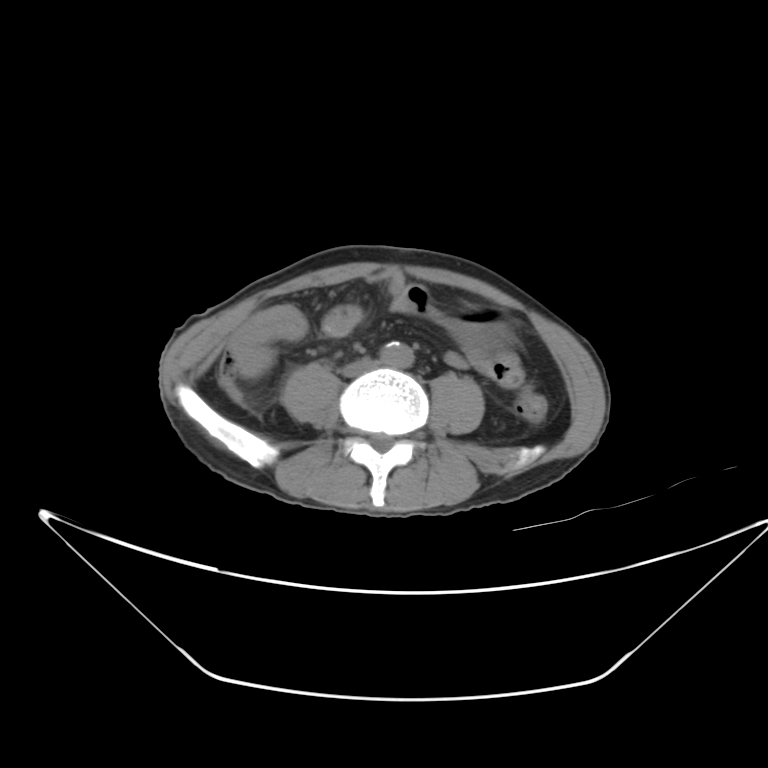

CT abdomen — axial view — Brilliance16 scanner — 15 organs annotated in this scan (counted over the whole 3D scan, not this slice; an organ is boxed only where this slice passes through it)
Boxes are (x1, y1, x2, y2) in pixels.
stomach: (451, 308, 507, 347)
aorta: (383, 342, 413, 369)
inferior vena cava: (342, 358, 378, 377)